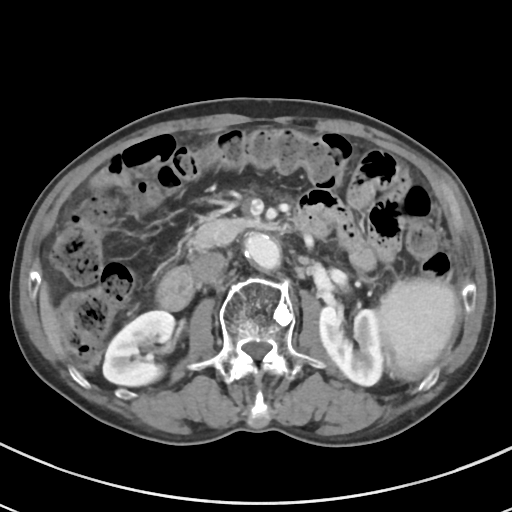
Computed tomography, abdomen; axial view; 512x512 px; scan has 15 labeled organs (a whole-scan count: organs this slice does not pass through have no box)
Coordinates as <box>x1,y1,x2,y2</box> in pixels.
spleen: <box>377,277,458,379</box>
right kidney: <box>103,310,174,386</box>
left kidney: <box>319,303,383,385</box>
liver: <box>39,284,64,356</box>
aorta: <box>245,233,280,269</box>
inferior vena cava: <box>191,252,226,283</box>
pancreas: <box>187,216,260,252</box>
duodenum: <box>156,214,331,310</box>